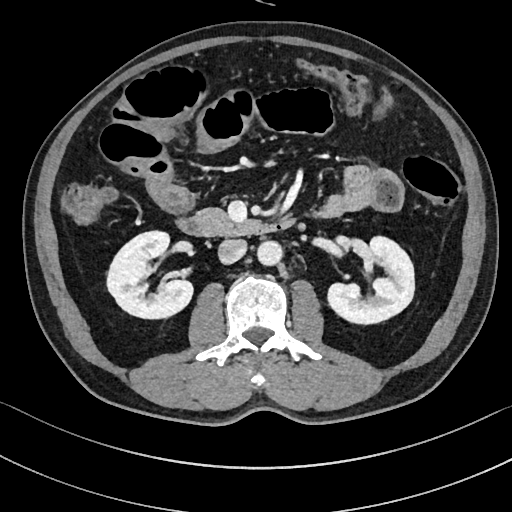
Computed tomography, abdomen · axial plane, index 137 · scan has 15 labeled organs (a whole-scan count: organs this slice does not pass through have no box)
Coordinates as <box>x1,y1,x2,y2</box> in pixels.
Organ bounding boxes:
- right kidney: <box>107,231,192,319</box>
- inferior vena cava: <box>217,238,246,264</box>
- duodenum: <box>175,217,296,238</box>
- aorta: <box>256,241,282,266</box>
- left kidney: <box>327,236,413,325</box>
- pancreas: <box>194,208,239,233</box>